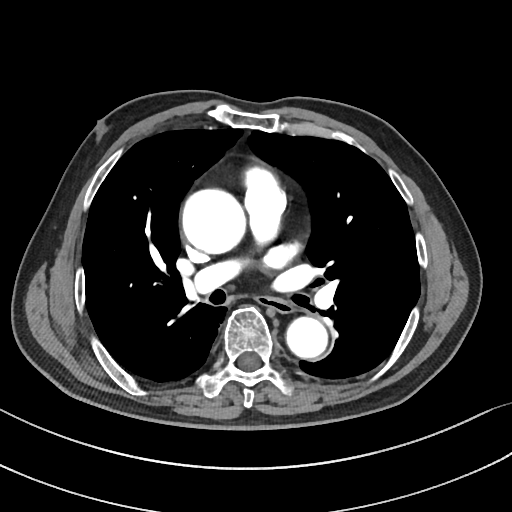
Chest-level slice from an abdominal CT that extends up into the chest; axial view; 512x512 px
On a slice this high in the chest, this dataset labels only the esophagus and the aorta, and each is boxed only where it is labeled; the heart, lungs and other chest structures are not labeled.
{"organs":{"esophagus":[258,295,295,312],"aorta":[[182,188,245,253],[286,316,327,357]]}}